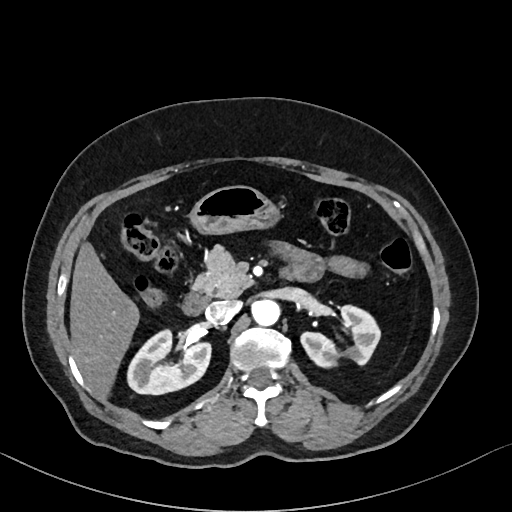
Computed tomography, abdomen; axial plane, index 146; 512x512 px
Organ boxes in pixel coordinates; each row gives the top-left (x1, y1) and bottom-right (x2, y2) corners.
| organ | x1 | y1 | x2 | y2 |
|---|---|---|---|---|
| right kidney | 126 | 328 | 210 | 394 |
| left kidney | 301 | 304 | 380 | 365 |
| liver | 70 | 244 | 138 | 395 |
| stomach | 190 | 185 | 277 | 233 |
| aorta | 252 | 298 | 282 | 325 |
| inferior vena cava | 206 | 300 | 238 | 323 |
| pancreas | 193 | 247 | 252 | 297 |
| duodenum | 183 | 293 | 208 | 315 |